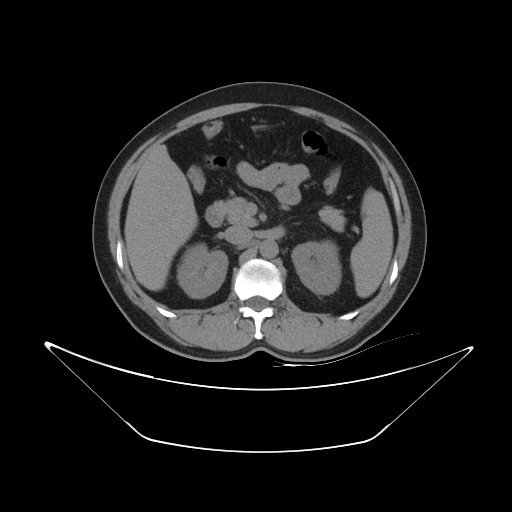

CT abdomen. axial plane, index 62. W/L 400/40 HU. 512x512 px
{"organs":{"spleen":[350,187,393,297],"duodenum":[205,205,222,226],"pancreas":[213,197,345,231],"inferior vena cava":[224,225,252,245],"liver":[124,144,198,291],"right kidney":[176,242,227,298],"aorta":[260,240,278,258],"left kidney":[292,240,341,294]}}